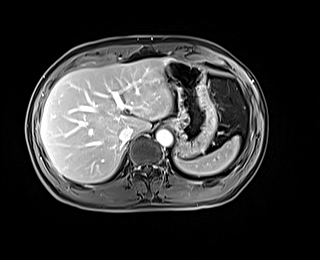

Abdominal MR; axial view; acquired on Prisma; 13 organs annotated in this scan (counted over the whole 3D scan, not this slice; an organ is boxed only where this slice passes through it)
<organs><organ name="liver" x1="40" y1="58" x2="173" y2="182"/><organ name="inferior vena cava" x1="119" y1="126" x2="133" y2="143"/><organ name="spleen" x1="174" y1="136" x2="239" y2="175"/><organ name="stomach" x1="165" y1="59" x2="217" y2="156"/><organ name="aorta" x1="156" y1="129" x2="172" y2="146"/></organs>